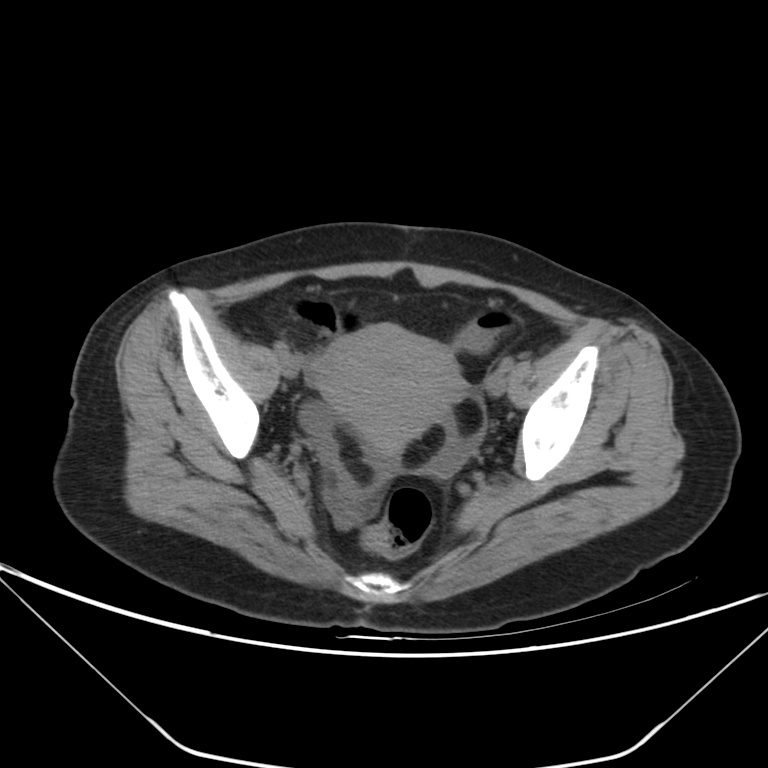

Abdominal CT; axial view
Boxes: x1 y1 x2 y2 (pixel coords, space-separated).
prostate/uterus: 316 323 462 454